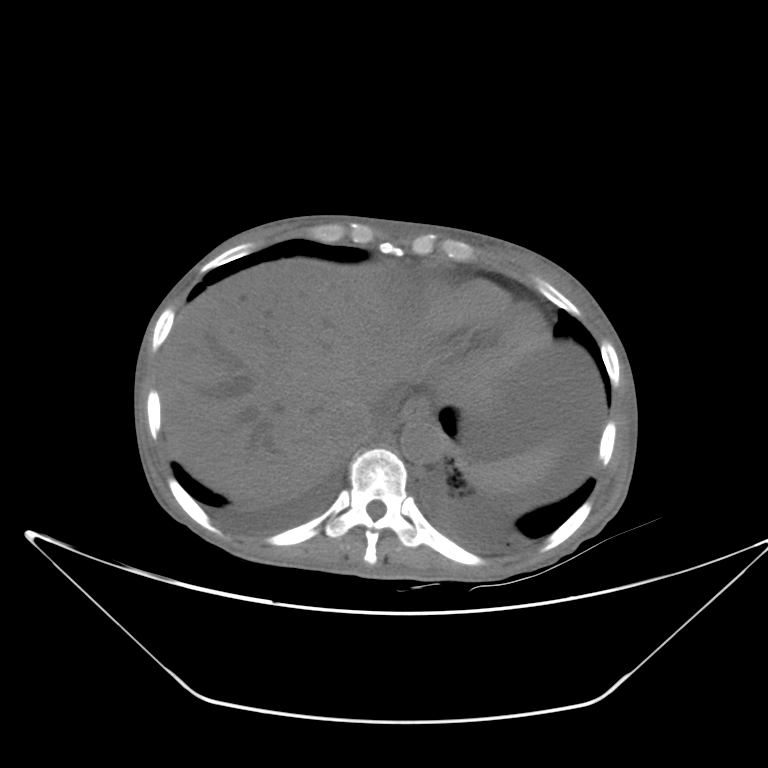
CT abdomen · axial view · abdomen soft-tissue window · 768x768 px · Brilliance16 scanner
Box edges are left/top/right/bottom in pixels. 5 labeled organs on this slice — spleen at left=458, top=441, right=562, bottom=494; esophagus at left=390, top=398, right=431, bottom=429; liver at left=159, top=258, right=426, bottom=505; aorta at left=400, top=421, right=445, bottom=463; inferior vena cava at left=331, top=400, right=376, bottom=447.